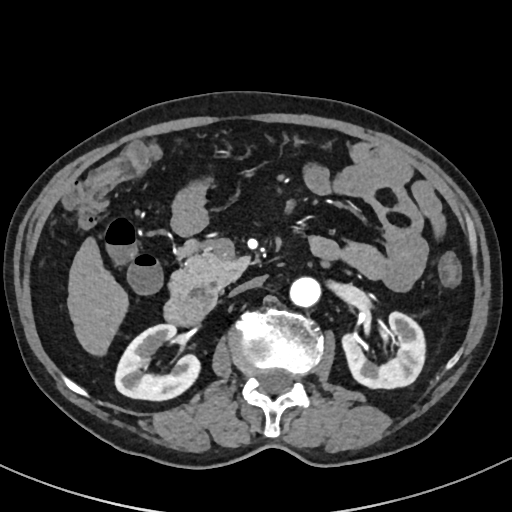 Computed tomography, abdomen · axial view · abdomen soft-tissue window · SOMATOM Force scanner
Boxes are (x1, y1, x2, y2) in pixels.
left kidney: (342, 312, 425, 388)
right kidney: (115, 324, 200, 400)
inferior vena cava: (230, 277, 263, 295)
liver: (67, 237, 128, 356)
aorta: (289, 276, 321, 307)
pancreas: (169, 240, 249, 297)
duodenum: (163, 283, 218, 325)